CT, abdomen/pelvis. Axial slice 39/291. 512x512 px. scan has 15 labeled organs (a whole-scan count: organs this slice does not pass through have no box)
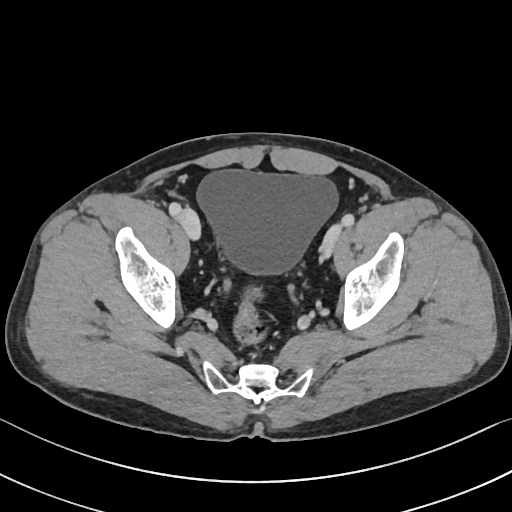

Box edges are left/top/right/bottom in pixels. The annotated organs in this slice are: bladder at left=197, top=169, right=338, bottom=273.